Abdominal CT — axial view — 512x512 px
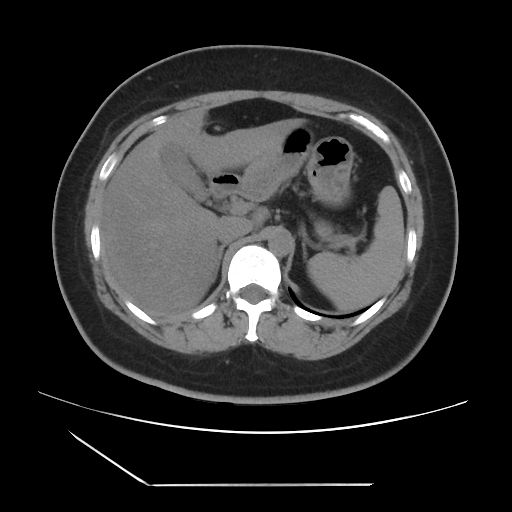
{"organs":{"right adrenal gland":[214,244,226,281],"inferior vena cava":[215,217,252,244],"left adrenal gland":[302,241,306,258],"aorta":[268,230,291,256],"spleen":[308,186,405,311],"liver":[101,108,304,314],"gall bladder":[161,144,208,201],"stomach":[239,126,354,202],"duodenum":[209,172,239,198],"pancreas":[315,220,345,243]}}